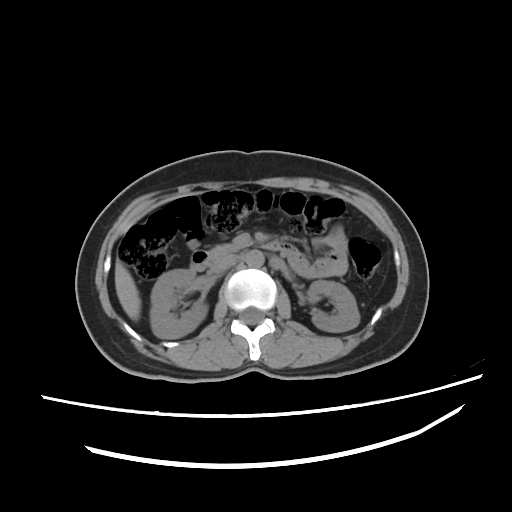
Abdominal CT — Axial slice 65/93 — abdomen soft-tissue window — 43-year-old female patient
{"organs":{"right kidney":[150,270,207,338],"left kidney":[307,280,359,332],"liver":[115,259,140,320],"aorta":[244,250,264,268],"inferior vena cava":[209,256,234,274],"pancreas":[209,242,252,257],"duodenum":[190,242,296,272]}}